Abdominal CT; axial view
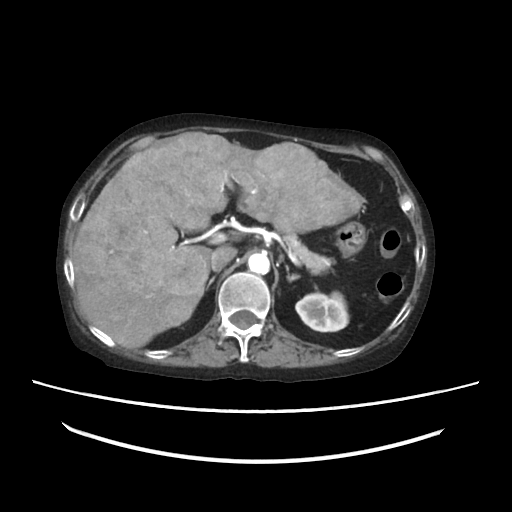
{"organs":{"aorta":[249,254,269,274],"liver":[72,133,361,348],"left adrenal gland":[285,265,300,281],"inferior vena cava":[209,246,236,272],"stomach":[334,223,363,253],"pancreas":[283,230,335,274],"left kidney":[295,292,348,331],"right adrenal gland":[207,277,213,289]}}